Abdominal CT reaching into the chest; this slice is in the chest — axial view — W/L 400/40 HU — 512x512 px — SOMATOM Force scanner
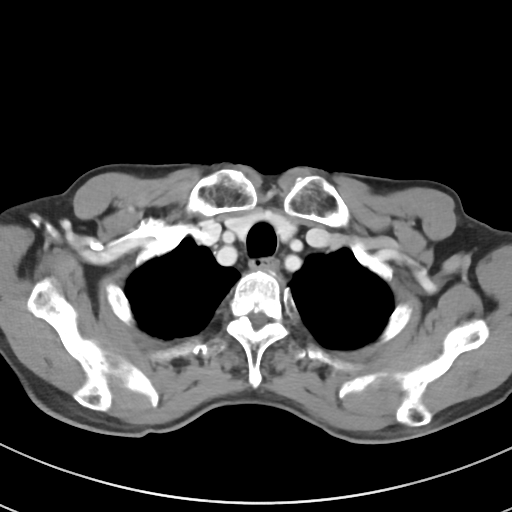 On a slice this high in the chest, this dataset labels only the esophagus and the aorta, and each is boxed only where it is labeled; the heart, lungs and other chest structures are not labeled.
Box edges are left/top/right/bottom in pixels.
esophagus: left=250, top=258, right=278, bottom=272